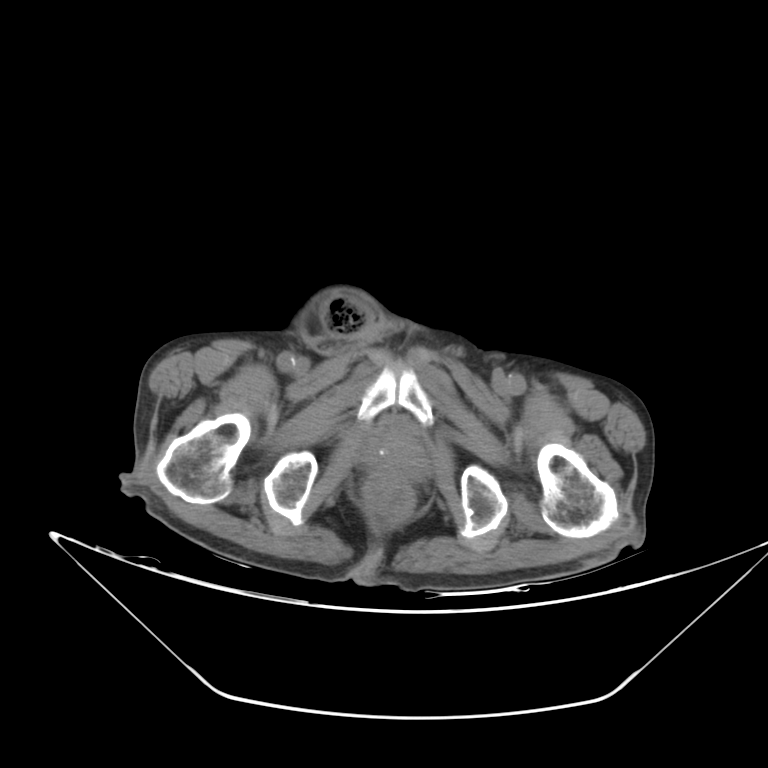 Computed tomography, abdomen. axial view. soft-tissue window (W 400 / L 40). male patient aged 90 or older
Coordinates as <box>x1,y1,x2,y2</box> in pixels.
Organ bounding boxes:
- prostate/uterus: <box>361,425,430,482</box>